Abdominal CT. axial view
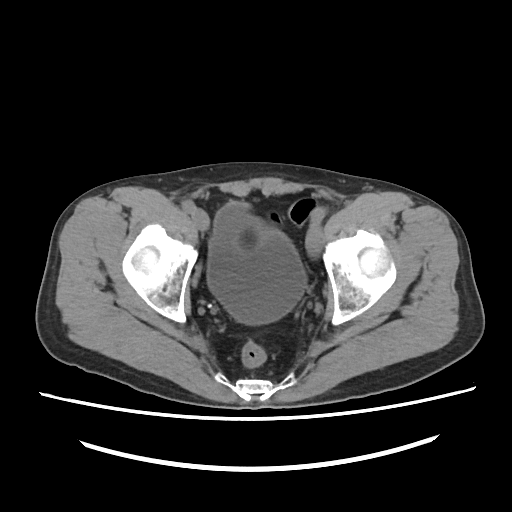
<organs><organ name="bladder" x1="209" y1="202" x2="303" y2="322"/></organs>